Computed tomography, abdomen · axial view · abdomen soft-tissue window · scan has 15 labeled organs (counted over the whole 3D scan, not this slice; an organ is boxed only where this slice passes through it)
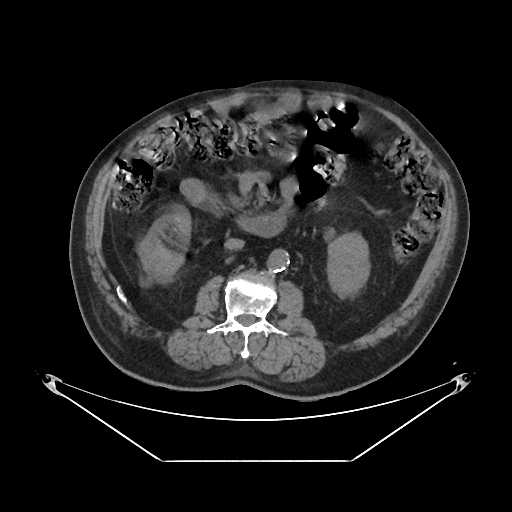 Boxes: x1:y1:x2:y2 in pixels. The annotated organs in this slice are: right kidney at 138:208:190:281, left kidney at 328:233:369:295, aorta at 268:248:289:271, inferior vena cava at 224:238:244:250, pancreas at 228:206:230:208, duodenum at 181:180:283:236.